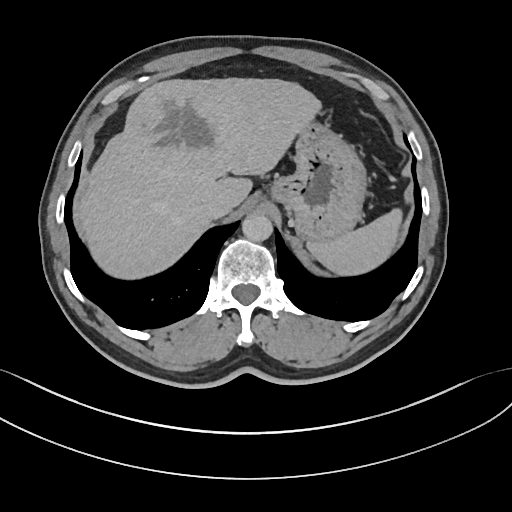
Abdominal CT. axial plane, index 181
Boxes: x1:y1:x2:y2 in pixels.
Organ bounding boxes:
- aorta: 242:214:273:240
- stomach: 274:116:369:243
- liver: 80:77:320:278
- inferior vena cava: 202:195:230:219
- spleen: 306:206:400:274